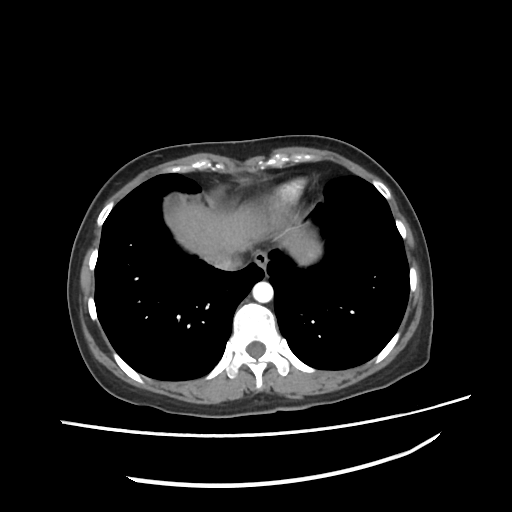

Abdominal CT; Axial slice 76/78; acquired on Aquilion ONE; 15 organs annotated in this scan (that count is for the whole scan; organs this slice misses have no box)
One row per box, in pixels: columns x1 and y1 give the top-left corner, x2 and y2 the bottom-right.
| organ | x1 | y1 | x2 | y2 |
|---|---|---|---|---|
| esophagus | 254 | 252 | 268 | 270 |
| liver | 165 | 203 | 323 | 264 |
| aorta | 252 | 280 | 273 | 302 |
| inferior vena cava | 209 | 254 | 240 | 270 |